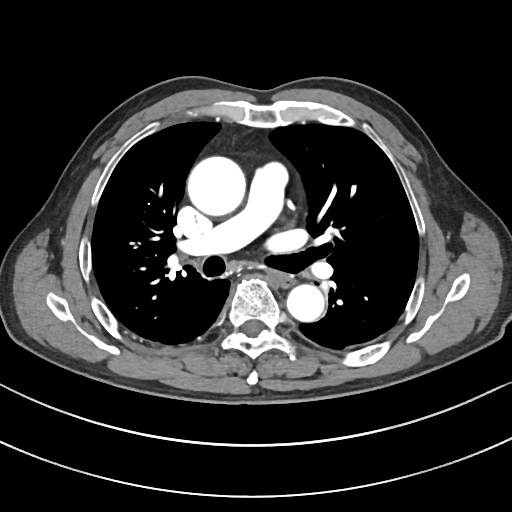 CT of the abdomen extending into the chest, slice through the chest; axial view; soft-tissue window (W 400 / L 40); 512x512 px
At this level of the chest this dataset labels only the esophagus and the aorta, and each is boxed only where it is labeled; the heart and lungs are never labeled. Bounding boxes as [x1, y1, x2, y2] in pixel coordinates. 2 labeled organs on this slice — esophagus at [274, 274, 294, 287]; aorta at [187, 156, 245, 215]; aorta at [287, 285, 324, 322].